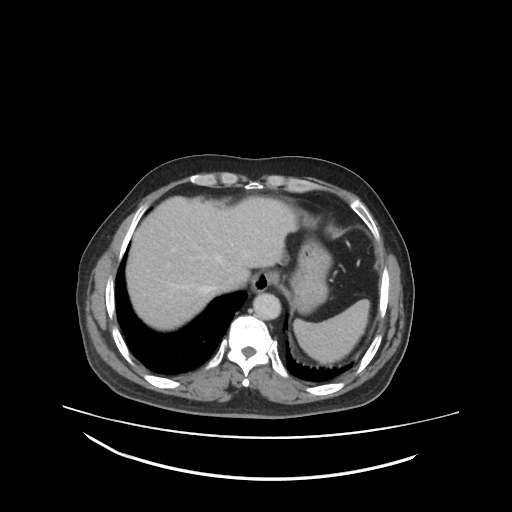

Abdominal CT — Axial slice 77/116 — abdomen soft-tissue window — 512x512 px
Bounding boxes as [x1, y1, x2, y2] in pixel coordinates. Labeled organs on this slice: spleen at [293, 298, 370, 365], esophagus at [250, 269, 271, 293], liver at [125, 195, 298, 331], stomach at [290, 244, 330, 315], aorta at [252, 292, 281, 319], inferior vena cava at [217, 276, 237, 293].